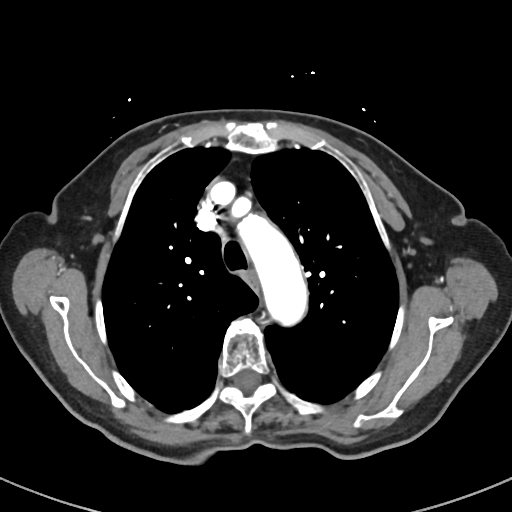
CT of the abdomen extending into the chest, slice through the chest — axial view — soft-tissue window, W/L 400/40 — 512x512 px — acquired on SOMATOM Force
At this level of the chest no structure but the esophagus and the aorta has a label in this dataset, and those two are boxed only where they are labeled.
One row per box, in pixels: columns x1 and y1 give the top-left corner, x2 and y2 the bottom-right.
| organ | x1 | y1 | x2 | y2 |
|---|---|---|---|---|
| esophagus | 246 | 270 | 257 | 286 |
| aorta | 237 | 214 | 307 | 326 |